Abdominal CT; Axial slice 77/96; 768x768 px; 15 organs annotated in this scan (that count is for the whole scan; organs this slice misses have no box)
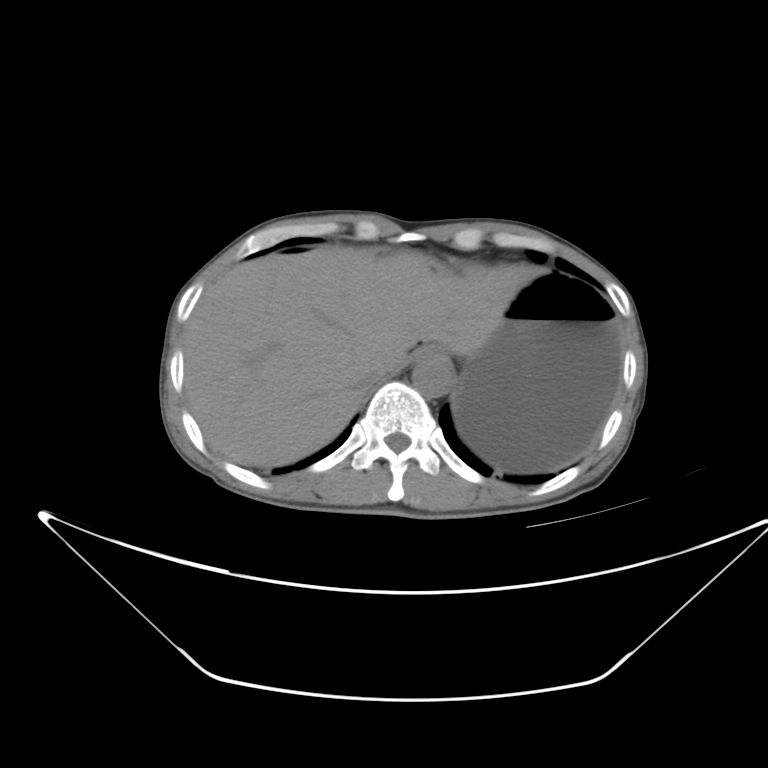 <organs><organ name="liver" x1="184" y1="244" x2="538" y2="466"/><organ name="aorta" x1="412" y1="355" x2="454" y2="397"/><organ name="stomach" x1="450" y1="269" x2="623" y2="472"/><organ name="inferior vena cava" x1="354" y1="361" x2="387" y2="391"/><organ name="esophagus" x1="413" y1="345" x2="448" y2="360"/></organs>